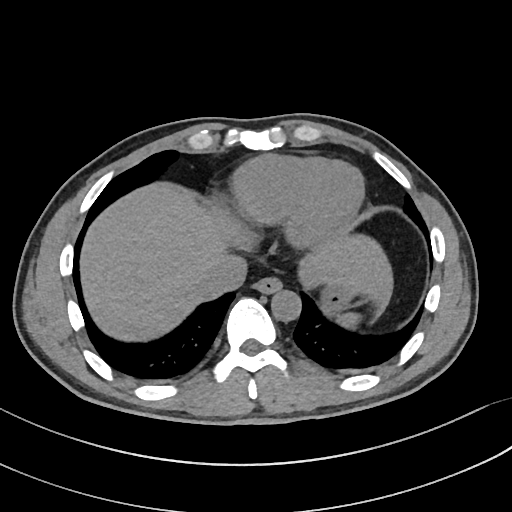
Abdominal CT — axial view — W/L 400/40 HU — 512x512 px
Bounding boxes in pixels, one row per box: x1, y1 is the top-left corner and x2, y2 the bottom-right.
| organ | x1 | y1 | x2 | y2 |
|---|---|---|---|---|
| spleen | 335 | 312 | 357 | 328 |
| esophagus | 255 | 275 | 281 | 293 |
| liver | 79 | 183 | 393 | 341 |
| stomach | 321 | 281 | 358 | 314 |
| aorta | 271 | 289 | 301 | 320 |
| inferior vena cava | 200 | 254 | 246 | 297 |